Chest-level CT slice, above the liver and spleen — axial plane, index 118 — soft-tissue window — acquired on Aquilion ONE
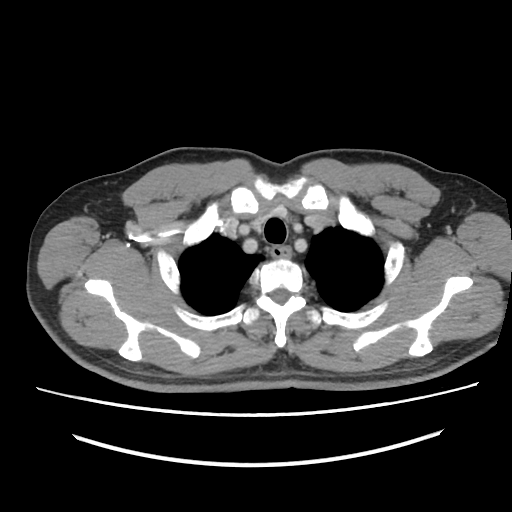 On a slice this high in the chest, this dataset labels only the esophagus and the aorta, and each is boxed only where it is labeled; the heart, lungs and other chest structures are not labeled. Boxes: x1 y1 x2 y2 (pixel coords, space-separated). The annotated organs in this slice are: esophagus at 272 248 290 258.